CT abdomen · axial view · 69-year-old male patient · Brilliance16 scanner
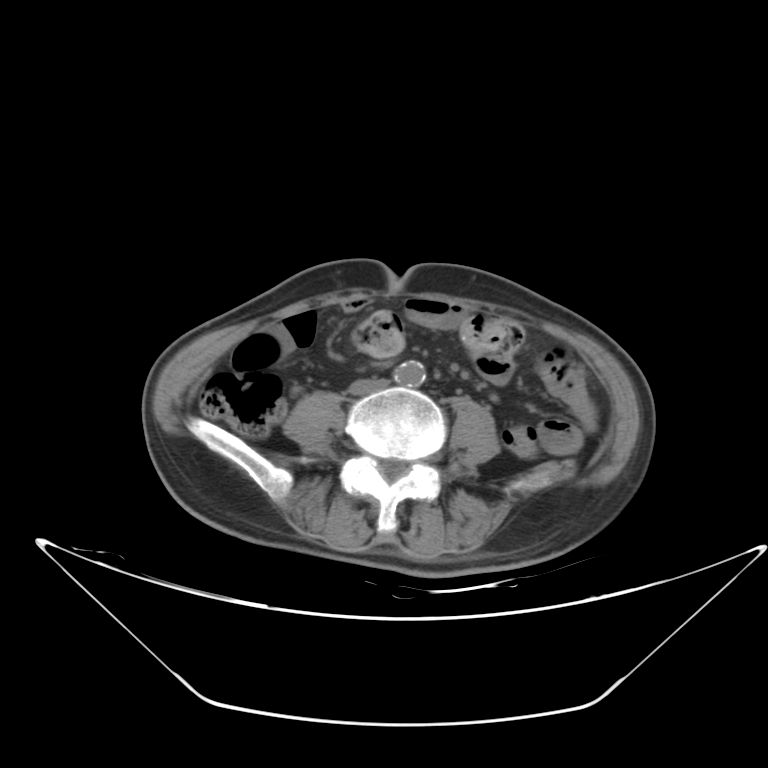 <organs><organ name="aorta" x1="394" y1="362" x2="424" y2="388"/><organ name="inferior vena cava" x1="345" y1="378" x2="389" y2="397"/></organs>